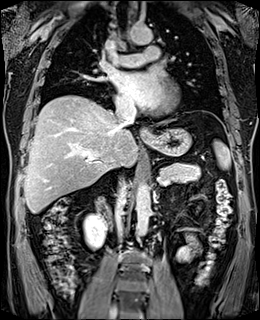 MRI, abdomen · coronal view · 260x320 px
Organ boxes in pixel coordinates; each row gives the top-left (x1, y1) and bottom-right (x2, y2) corners.
| organ | x1 | y1 | x2 | y2 |
|---|---|---|---|---|
| spleen | 214 | 141 | 230 | 169 |
| right kidney | 84 | 214 | 105 | 249 |
| esophagus | 140 | 128 | 150 | 139 |
| liver | 24 | 95 | 164 | 213 |
| stomach | 143 | 128 | 191 | 155 |
| aorta | 136 | 181 | 150 | 237 |
| aorta | 127 | 24 | 152 | 44 |
| inferior vena cava | 115 | 177 | 126 | 239 |
| inferior vena cava | 115 | 103 | 135 | 130 |
| pancreas | 160 | 162 | 200 | 183 |
| left adrenal gland | 166 | 189 | 173 | 201 |
| duodenum | 96 | 197 | 111 | 226 |